Magnetic resonance imaging, abdomen — axial view — acquired on Prisma
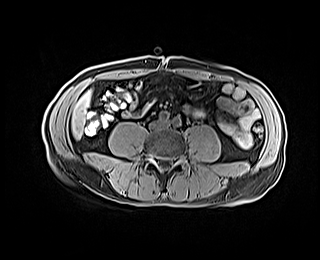 Organ boxes in pixel coordinates; each row gives the top-left (x1, y1) and bottom-right (x2, y2) corners.
| organ | x1 | y1 | x2 | y2 |
|---|---|---|---|---|
| liver | 71 | 90 | 91 | 138 |